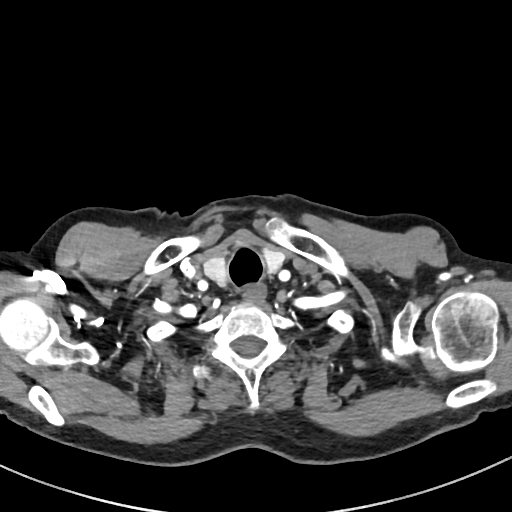

Chest-level CT slice, above the liver and spleen — axial plane, index 299
At this level of the chest no structure but the esophagus and the aorta has a label in this dataset, and those two are boxed only where they are labeled.
{"organs":{"esophagus":[244,287,264,303]}}